Abdominal CT · Axial slice 276/345 · 512x512 px · 15 organs annotated in this scan (that count is for the whole scan; organs this slice misses have no box)
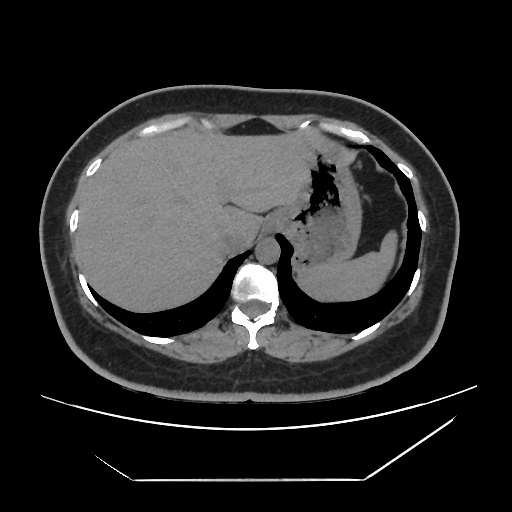

Each box given as x1,y1,x2,y2. Labeled organs on this slice: spleen at x1=296, y1=230, x2=398, y2=303, liver at x1=75, y1=129, x2=322, y2=312, stomach at x1=266, y1=136, x2=361, y2=269, aorta at x1=255, y1=237, x2=279, y2=263, inferior vena cava at x1=220, y1=230, x2=253, y2=252.